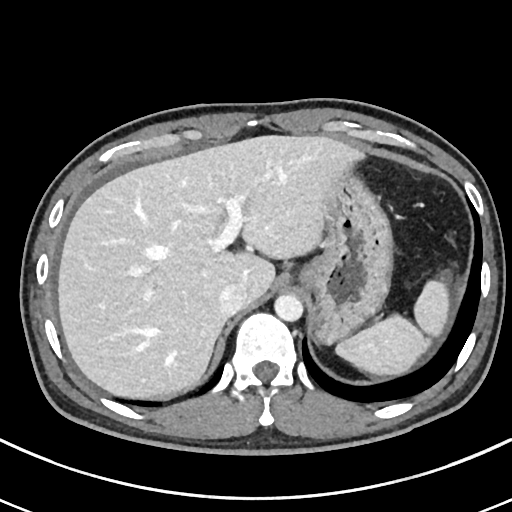
CT abdomen. axial view. SOMATOM Force scanner. scan has 15 labeled organs (that count is for the whole scan; organs this slice misses have no box)
{"organs":{"spleen":[336,280,449,375],"liver":[57,135,361,398],"stomach":[300,166,393,343],"inferior vena cava":[218,284,246,315],"aorta":[274,294,302,321]}}